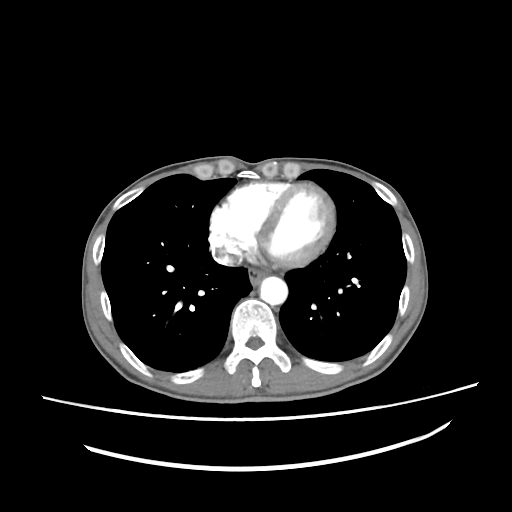

CT of the abdomen reaching into the lower chest, slice just above the liver and spleen; axial view; 50-year-old male patient; acquired on Aquilion ONE
Of the structures in the chest, this dataset labels only the esophagus, the aorta and the inferior vena cava; the heart and lungs have no label.
<organs><organ name="esophagus" x1="248" y1="268" x2="268" y2="285"/><organ name="aorta" x1="260" y1="276" x2="287" y2="305"/><organ name="inferior vena cava" x1="220" y1="256" x2="239" y2="265"/></organs>